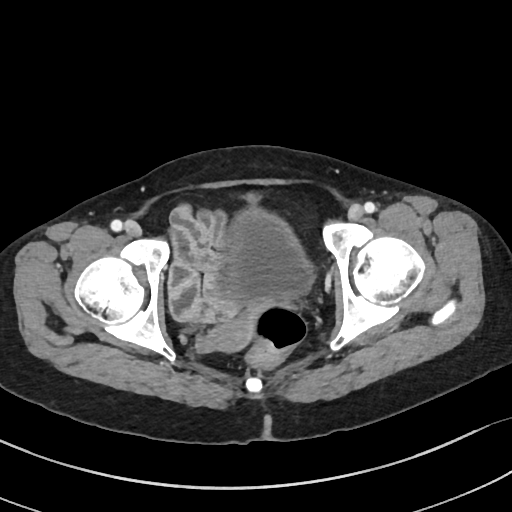
Computed tomography, abdomen · axial view · 512x512 px
Each box given as x1,y1,x2,y2.
prostate/uterus: x1=207, y1=314, x2=254, y2=350
bladder: x1=174, y1=206, x2=315, y2=313